CT, abdomen/pelvis — axial view — Brilliance16 scanner
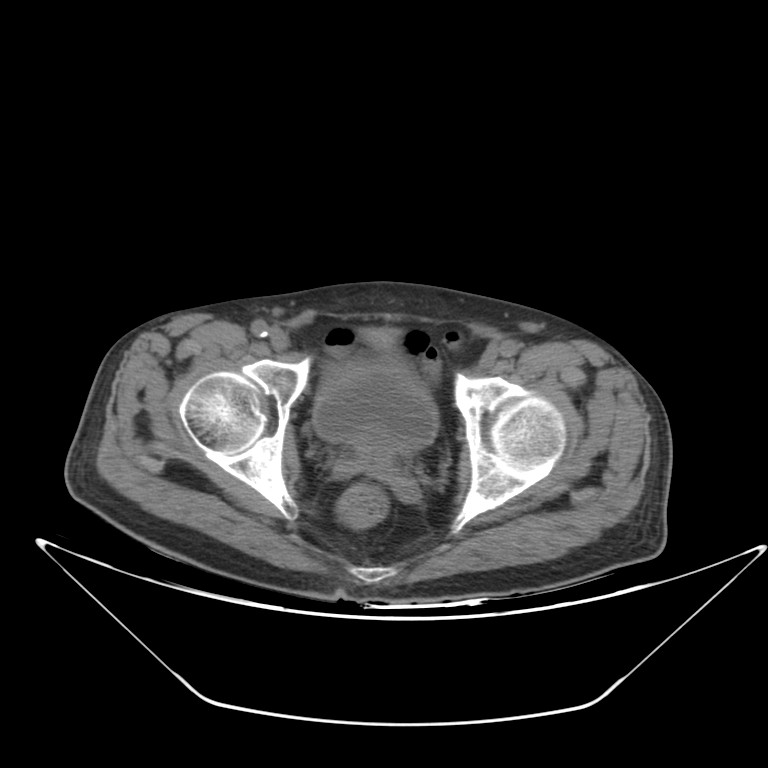
{"organs":{"bladder":[311,355,438,447],"prostate/uterus":[350,439,406,463]}}